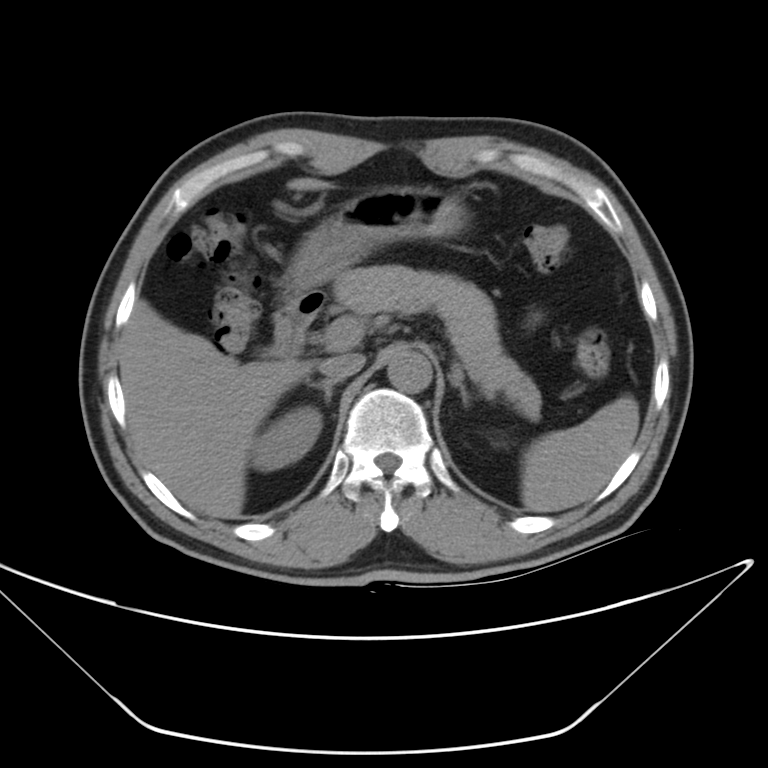
CT, abdomen/pelvis; axial view; W/L 400/40 HU
Boxes: x1:y1:x2:y2 in pixels.
spleen: 520:393:639:512
right kidney: 252:408:320:469
liver: 119:177:328:518
stomach: 296:186:467:290
aorta: 386:348:433:392
inferior vena cava: 318:352:365:381
pancreas: 335:265:541:418
right adrenal gland: 309:379:342:404
left adrenal gland: 451:365:470:404
duodenum: 274:292:328:357